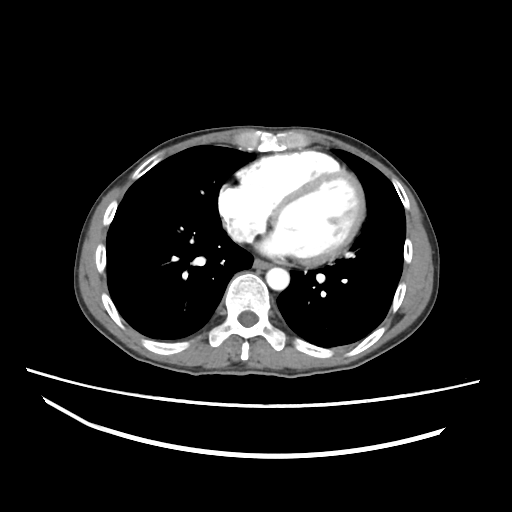 Abdominal CT; this slice is in the lower chest, just above the liver · axial view · soft-tissue window (W 400 / L 40) · scan has 15 labeled organs (counted over the whole 3D scan, not this slice; an organ is boxed only where this slice passes through it)
The heart and lungs are never labeled in this dataset, so they have no box on this slice.
Boxes: x1:y1:x2:y2 in pixels.
aorta: 266:267:289:290
esophagus: 253:259:270:268